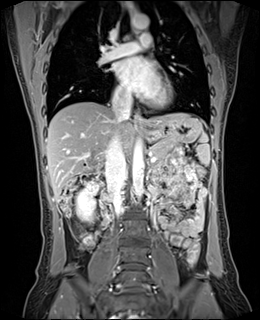

Abdominal MRI — coronal view — 1st–99th percentile window
Each box given as x1,y1,x2,y2. The annotated organs in this slice are: spleen at x1=196, y1=132, x2=209, y2=165, right kidney at x1=76, y1=182, x2=97, y2=222, esophagus at x1=135, y1=113, x2=145, y2=131, liver at x1=46, y1=102, x2=190, y2=198, stomach at x1=146, y1=116, x2=201, y2=143, aorta at x1=133, y1=140, x2=144, y2=199, aorta at x1=130, y1=15, x2=149, y2=28, inferior vena cava at x1=105, y1=128, x2=126, y2=213, inferior vena cava at x1=111, y1=93, x2=131, y2=122, pancreas at x1=151, y1=140, x2=175, y2=160, duodenum at x1=95, y1=173, x2=99, y2=179.